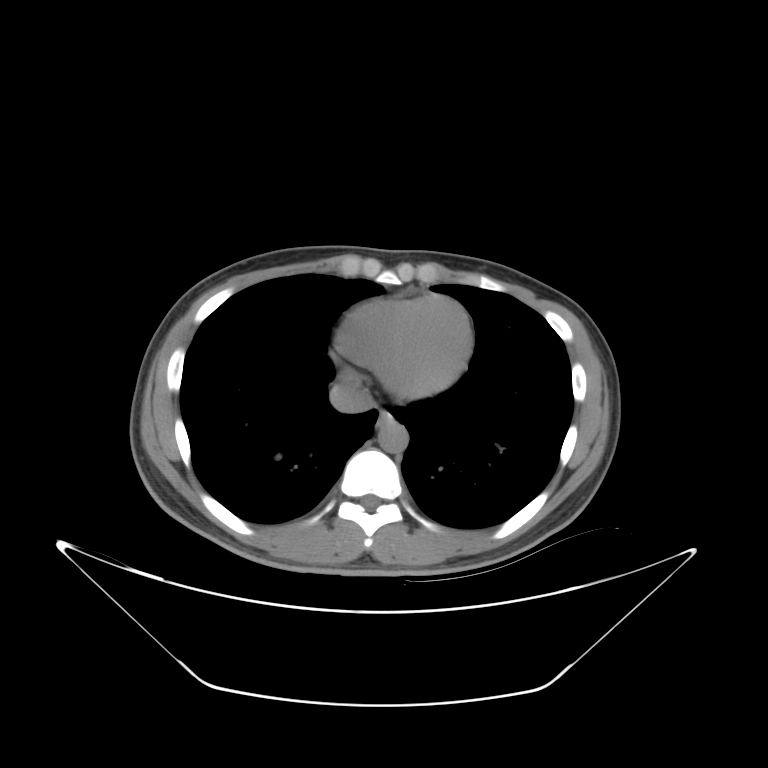
Lower-chest slice from an abdominal CT, just above the liver and spleen; Axial slice 97/102
The heart and lungs are never labeled in this dataset, so they have no box on this slice. Coordinates as <box>x1,y1,x2,y2</box> in pixels. 3 labeled organs on this slice — esophagus at <box>377,412,390,424</box>; aorta at <box>377,421,408,454</box>; inferior vena cava at <box>329,382,372,413</box>.